CT abdomen — axial plane, index 60 — 512x512 px — 76-year-old female patient
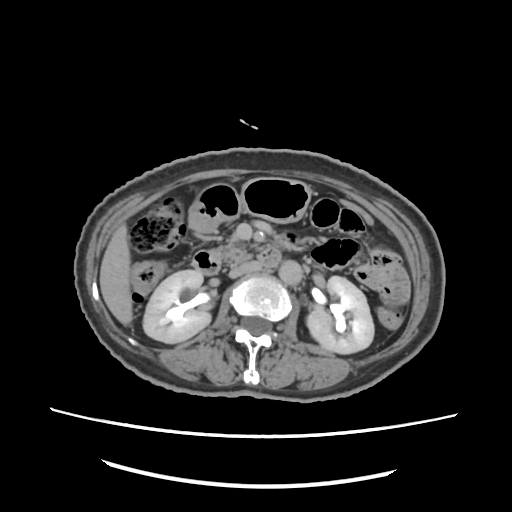 {"organs":{"liver":[99,225,133,323],"stomach":[188,178,310,233],"right kidney":[143,271,210,343],"inferior vena cava":[230,259,263,277],"pancreas":[218,234,278,265],"aorta":[280,259,302,283],"duodenum":[191,248,280,275],"left kidney":[306,277,374,352]}}